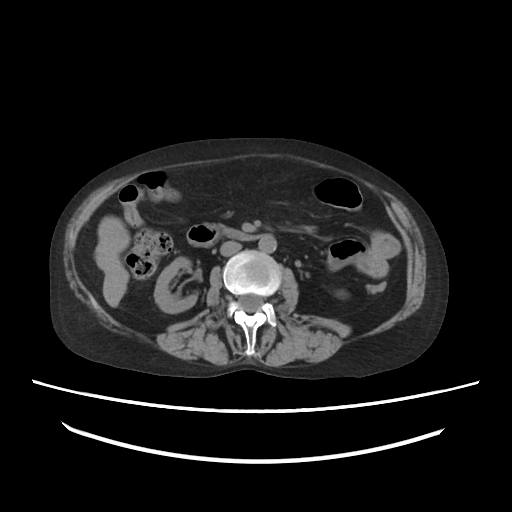 CT, abdomen/pelvis — axial view — Aquilion ONE scanner
<organs><organ name="right kidney" x1="154" y1="257" x2="196" y2="313"/><organ name="left kidney" x1="337" y1="291" x2="345" y2="297"/><organ name="liver" x1="94" y1="216" x2="130" y2="307"/><organ name="aorta" x1="258" y1="234" x2="276" y2="252"/><organ name="inferior vena cava" x1="220" y1="241" x2="241" y2="255"/><organ name="pancreas" x1="218" y1="225" x2="236" y2="235"/><organ name="duodenum" x1="187" y1="224" x2="265" y2="247"/></organs>